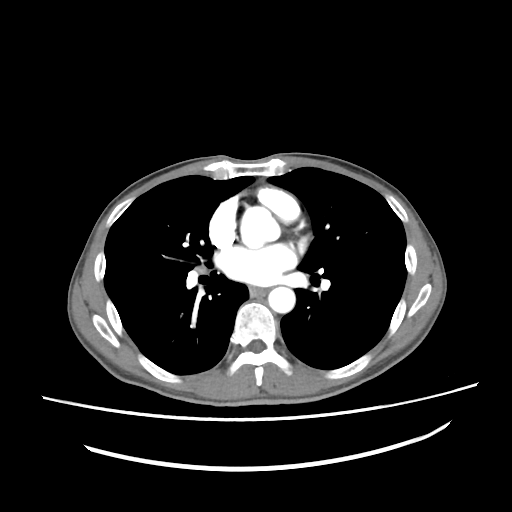 Abdominal CT reaching into the chest; this slice is in the chest — axial view — soft-tissue window (W 400 / L 40) — 512x512 px — 50-year-old male patient — 14 organs annotated in this scan (counted over the whole 3D scan, not this slice; an organ is boxed only where this slice passes through it)
At this level of the chest this dataset labels only the esophagus and the aorta, and each is boxed only where it is labeled; the heart and lungs are never labeled.
<organs><organ name="aorta" x1="268" y1="286" x2="295" y2="313"/><organ name="esophagus" x1="249" y1="286" x2="266" y2="296"/></organs>